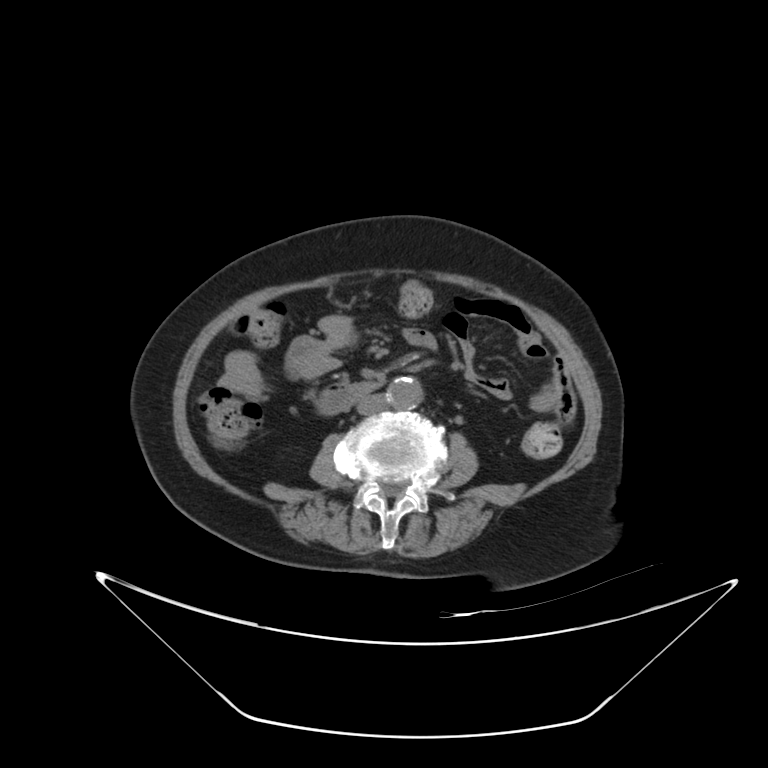 Computed tomography, abdomen — axial view — abdomen soft-tissue window — 78-year-old female patient
One row per box, in pixels: columns x1 and y1 give the top-left corner, x2 and y2 the bottom-right.
| organ | x1 | y1 | x2 | y2 |
|---|---|---|---|---|
| duodenum | 317 | 382 | 379 | 414 |
| aorta | 386 | 377 | 420 | 408 |
| inferior vena cava | 356 | 394 | 387 | 414 |